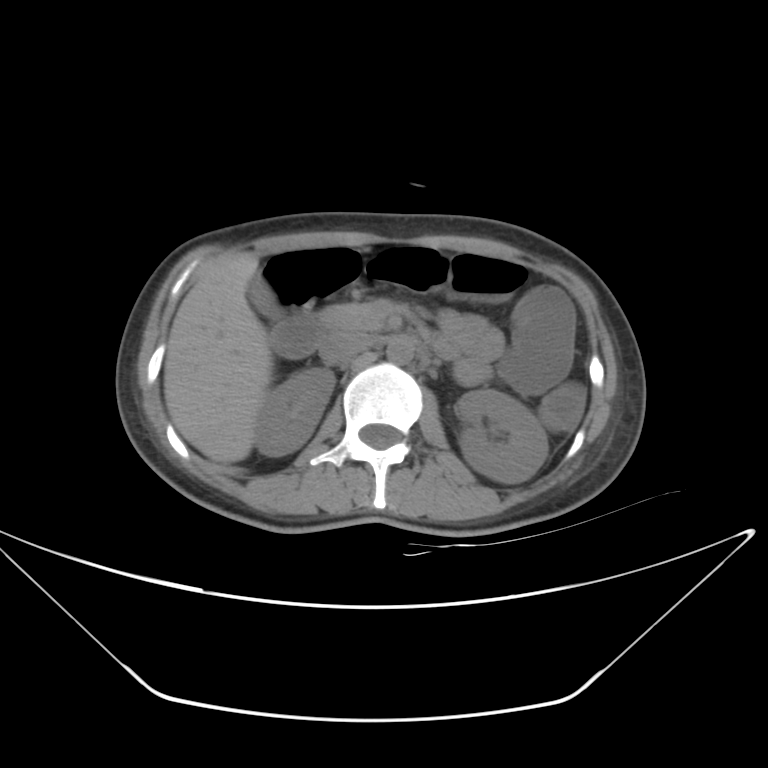

Abdominal CT · Axial slice 66/84 · soft-tissue window
{"organs":{"right kidney":[254,368,335,456],"left kidney":[456,388,548,484],"gall bladder":[247,272,279,317],"liver":[164,253,272,462],"aorta":[385,337,414,364],"inferior vena cava":[318,333,373,363],"pancreas":[323,299,384,330],"duodenum":[270,312,458,359]}}